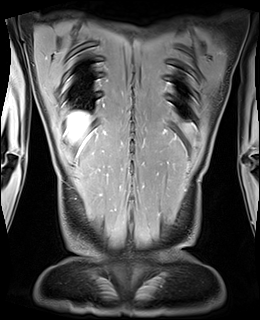

MRI, abdomen — coronal plane, index 37 — percentile-normalized
{"organs":{"liver":[66,111,90,147]}}